Chest-level slice from an abdominal CT that extends up into the chest. axial view. 13 organs annotated in this scan (a whole-scan count: organs this slice does not pass through have no box)
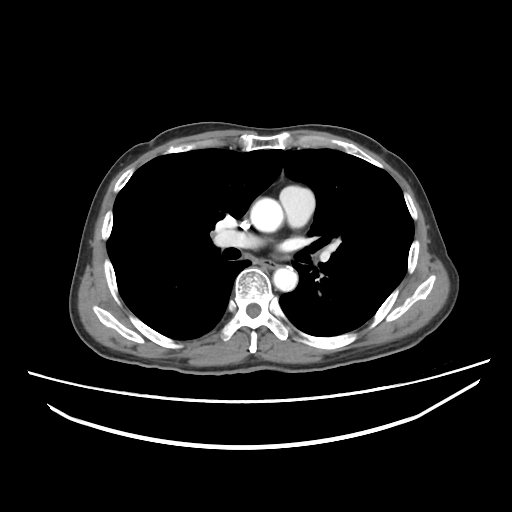
At this level of the chest this dataset labels only the esophagus and the aorta, and each is boxed only where it is labeled; the heart and lungs are never labeled.
Boxes: x1:y1:x2:y2 in pixels.
esophagus: 262:260:275:268
aorta: 250:198:283:232
aorta: 273:267:297:291